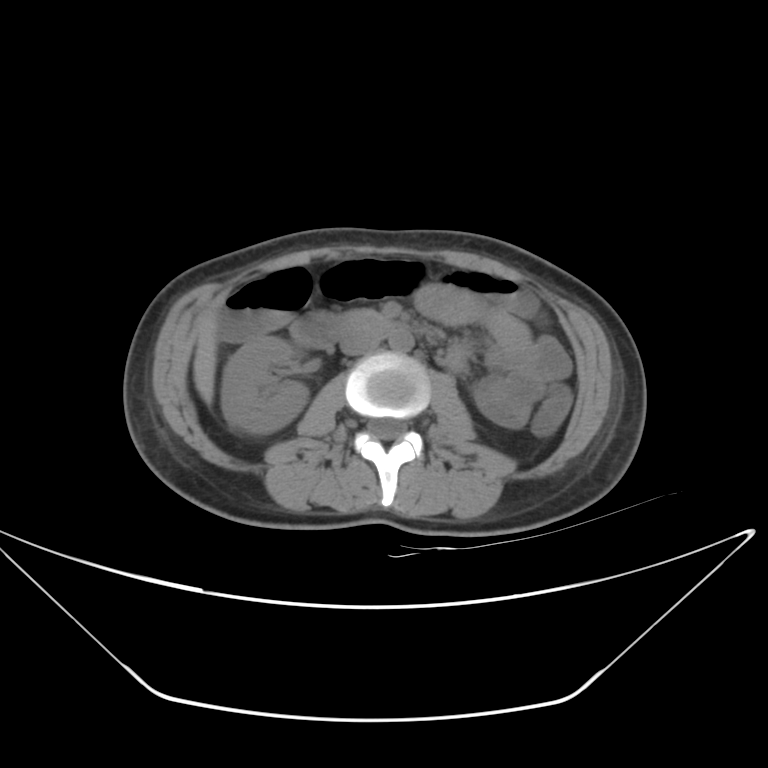
Computed tomography, abdomen · axial view · 15 organs annotated in this scan (a whole-scan count: organs this slice does not pass through have no box)
Box edges are left/top/right/bottom in pixels. The annotated organs in this slice are: right kidney at left=220, top=336, right=309, bottom=434, liver at left=193, top=317, right=217, bottom=405, aorta at left=388, top=330, right=414, bottom=352, inferior vena cava at left=340, top=333, right=380, bottom=355, pancreas at left=343, top=312, right=383, bottom=327, duodenum at left=291, top=317, right=405, bottom=348.